CT, abdomen/pelvis. axial view. W/L 400/40 HU. scan has 15 labeled organs (that count is for the whole scan; organs this slice misses have no box)
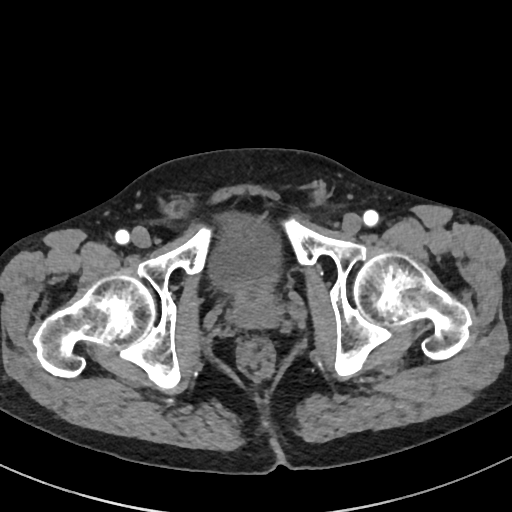
Each box given as x1,y1,x2,y2.
Organ bounding boxes:
- bladder: x1=210, y1=215, x2=276, y2=292
- prostate/uterus: x1=231, y1=289, x2=281, y2=328